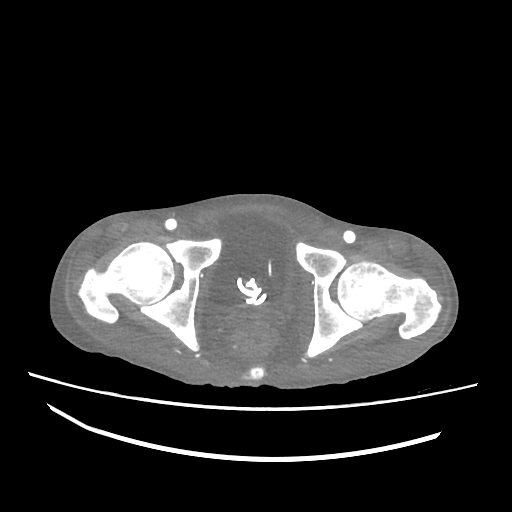

CT, abdomen/pelvis. Axial slice 14/123. W/L 400/40 HU. 47-year-old male patient. scan has 15 labeled organs (counted over the whole 3D scan, not this slice; an organ is boxed only where this slice passes through it)
One row per box, in pixels: columns x1 and y1 give the top-left corner, x2 and y2 the bottom-right.
| organ | x1 | y1 | x2 | y2 |
|---|---|---|---|---|
| bladder | 207 | 212 | 294 | 309 |